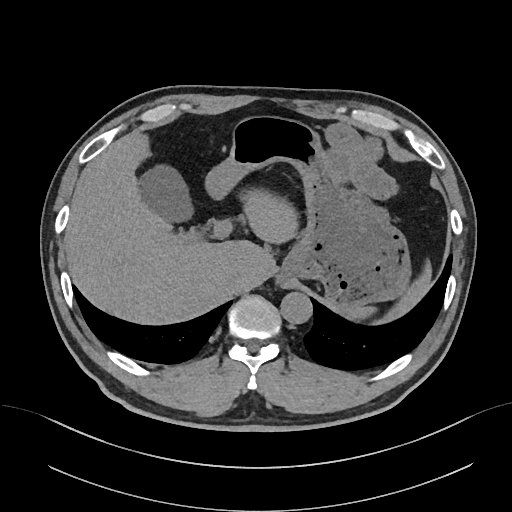

Computed tomography, abdomen; axial view; soft-tissue window; 512x512 px; 15 organs annotated in this scan (that count is for the whole scan; organs this slice misses have no box)
<organs><organ name="spleen" x1="343" y1="306" x2="373" y2="319"/><organ name="gall bladder" x1="139" y1="165" x2="193" y2="221"/><organ name="liver" x1="65" y1="130" x2="430" y2="323"/><organ name="stomach" x1="207" y1="116" x2="409" y2="310"/><organ name="aorta" x1="280" y1="292" x2="312" y2="323"/><organ name="inferior vena cava" x1="229" y1="267" x2="246" y2="284"/></organs>